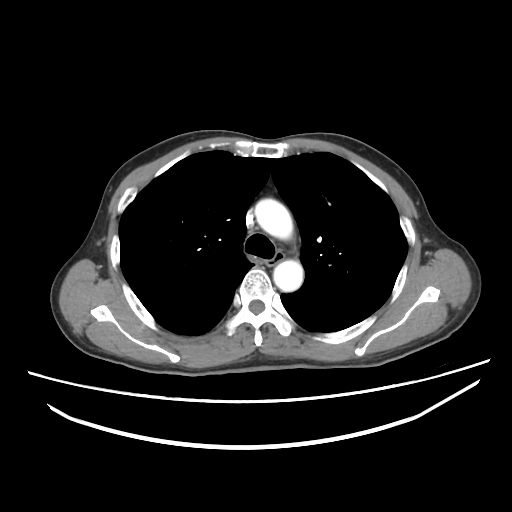 CT of the abdomen extending into the chest, slice through the chest — axial view — soft-tissue window
At this level of the chest this dataset labels only the esophagus and the aorta, and each is boxed only where it is labeled; the heart and lungs are never labeled.
Boxes are (x1, y1, x2, y2) in pixels.
Organ bounding boxes:
- aorta: (254, 198, 293, 240)
- aorta: (273, 260, 303, 291)
- esophagus: (266, 252, 285, 265)